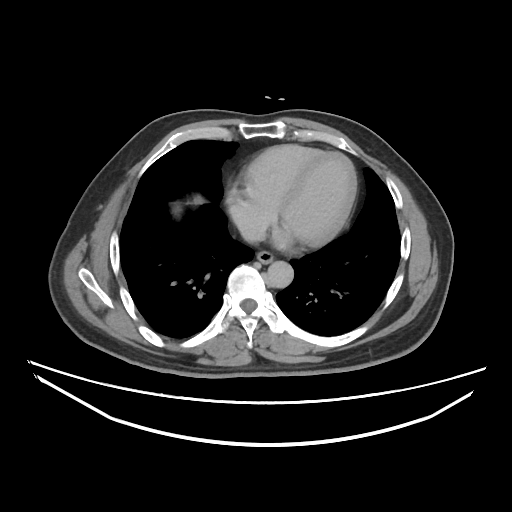

Lower-chest slice from an abdominal CT, just above the liver and spleen. axial view. soft-tissue window (W 400 / L 40). 55-year-old male patient. Aquilion ONE scanner. 15 organs annotated in this scan (that count is for the whole scan; organs this slice misses have no box)
No part of the heart or lungs is labeled in this dataset, so neither has a box here.
Boxes: x1 y1 x2 y2 (pixel coords, space-separated).
Organ bounding boxes:
- inferior vena cava: 239 226 264 241
- esophagus: 257 250 274 264
- aorta: 267 261 293 288